CT, abdomen/pelvis; axial plane, index 197; acquired on SOMATOM Force; 14 organs annotated in this scan (that count is for the whole scan; organs this slice misses have no box)
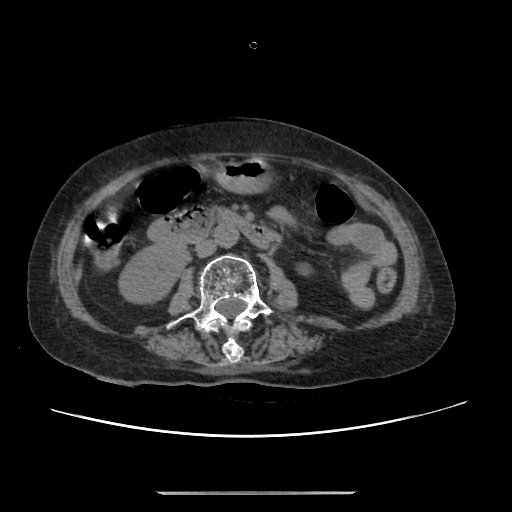

Coordinates as <box>x1,y1,x2,y2</box> in pixels. 5 labeled organs on this slice — aorta at <box>214,224,238,247</box>; inferior vena cava at <box>195,239,216,256</box>; duodenum at <box>149,206,282,248</box>; stomach at <box>214,157,266,194</box>; right kidney at <box>118,244,187,304</box>.